Abdominal CT; axial view; W/L 400/40 HU
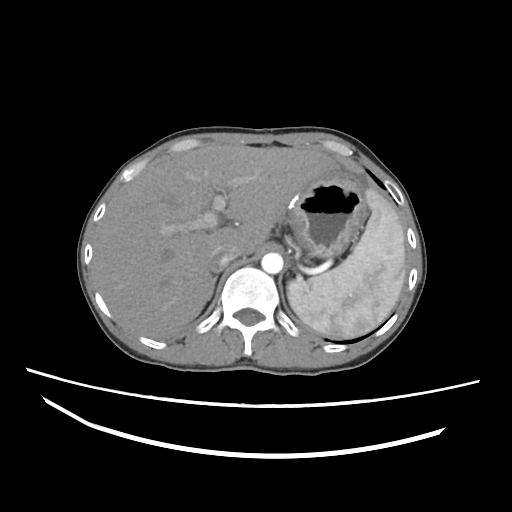
Bounding boxes in pixels, one row per box: x1, y1 is the top-left corner and x2, y2 the bottom-right.
| organ | x1 | y1 | x2 | y2 |
|---|---|---|---|---|
| spleen | 287 | 189 | 405 | 338 |
| liver | 91 | 143 | 335 | 338 |
| stomach | 282 | 169 | 367 | 258 |
| aorta | 261 | 253 | 283 | 273 |
| inferior vena cava | 211 | 244 | 238 | 271 |
| right adrenal gland | 209 | 276 | 217 | 299 |